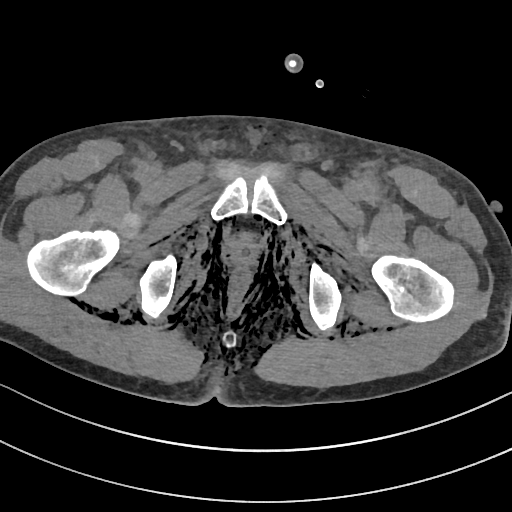 CT, abdomen/pelvis — Axial slice 27/252 — acquired on SOMATOM Force — scan has 15 labeled organs (a whole-scan count: organs this slice does not pass through have no box)
Box edges are left/top/right/bottom in pixels. The annotated organs in this slice are: prostate/uterus at left=231, top=238, right=255, bottom=263.